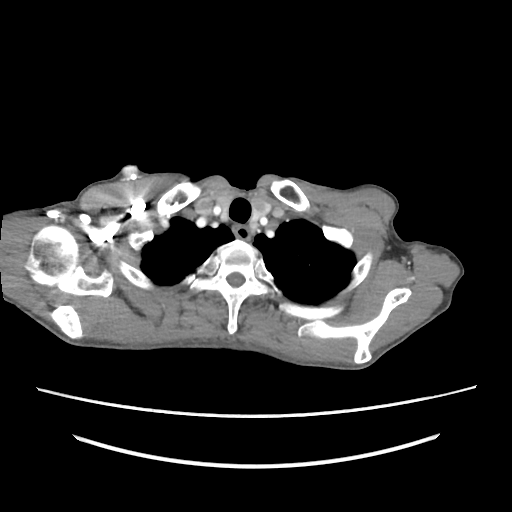
CT of the abdomen extending into the chest, slice through the chest; axial plane, index 120
On a slice this high in the chest, this dataset labels only the esophagus and the aorta, and each is boxed only where it is labeled; the heart, lungs and other chest structures are not labeled. Boxes are (x1, y1, x2, y2) in pixels. 1 labeled organ on this slice — esophagus at (234, 226, 250, 239).